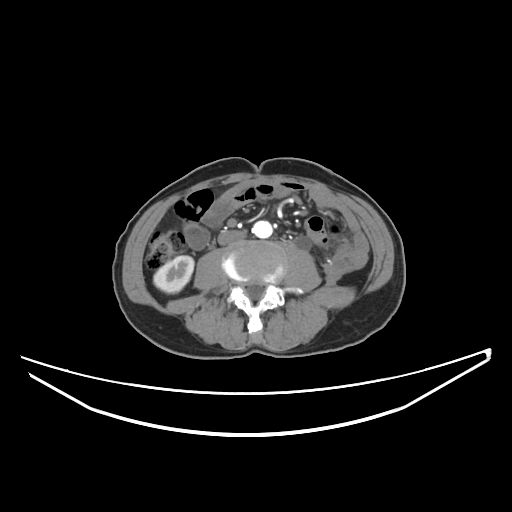 CT, abdomen/pelvis — axial view
<organs><organ name="right kidney" x1="153" y1="255" x2="193" y2="293"/><organ name="aorta" x1="252" y1="220" x2="272" y2="238"/><organ name="inferior vena cava" x1="218" y1="230" x2="245" y2="245"/></organs>